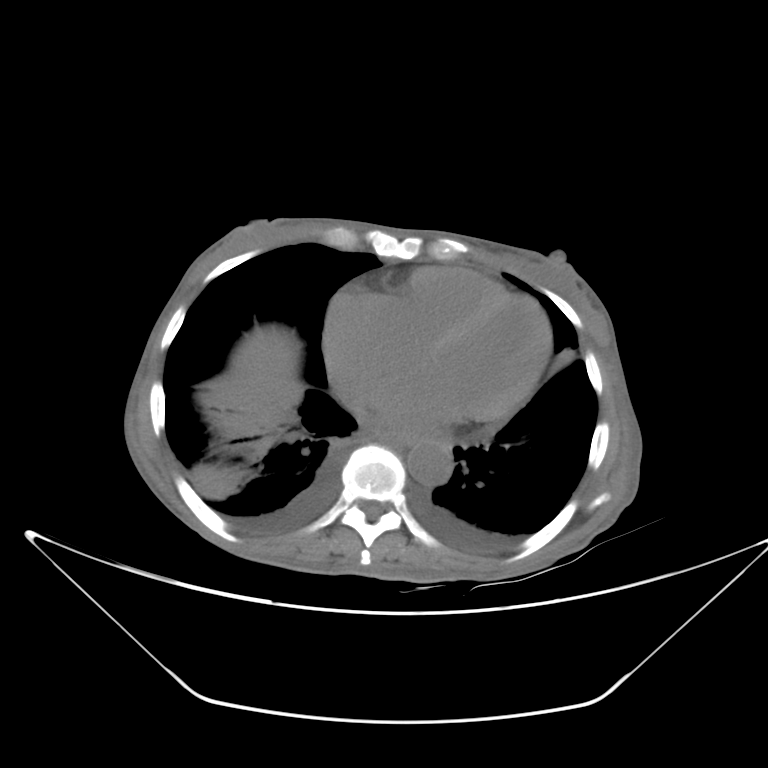 CT, abdomen/pelvis; axial plane, index 98; soft-tissue window (W 400 / L 40); 768x768 px; Brilliance16 scanner
<organs><organ name="esophagus" x1="380" y1="433" x2="410" y2="447"/><organ name="liver" x1="201" y1="328" x2="304" y2="454"/><organ name="aorta" x1="407" y1="440" x2="452" y2="486"/></organs>